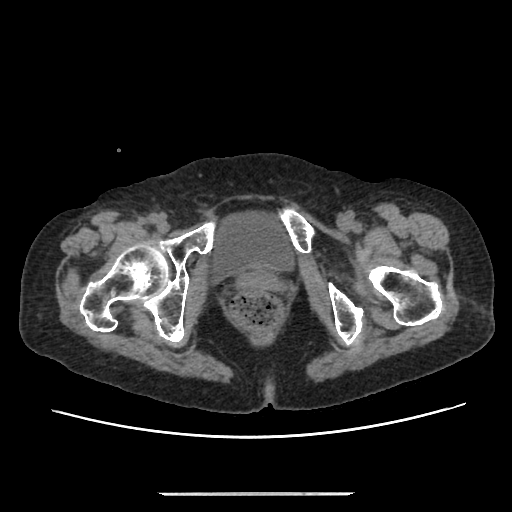
CT abdomen; axial view; abdomen soft-tissue window
Box edges are left/top/right/bottom in pixels. Labeled organs on this slice: bladder at left=208, top=216, right=295, bottom=283, prostate/uterus at left=245, top=269, right=273, bottom=286.